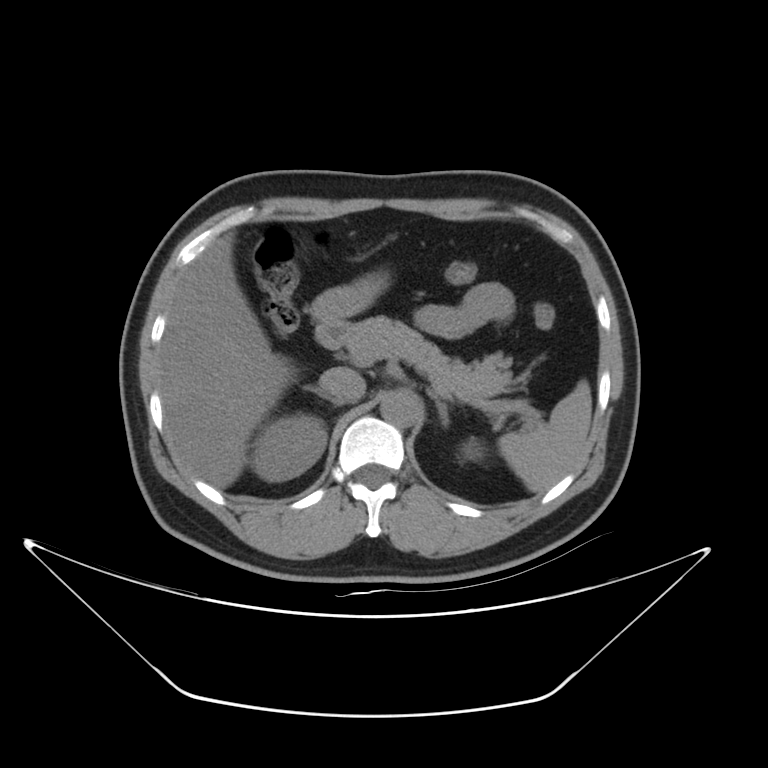
CT abdomen. Axial slice 79/93. soft-tissue window. 40-year-old male patient. scan has 15 labeled organs (that count is for the whole scan; organs this slice misses have no box)
{"organs":{"stomach":[312,272,388,320],"left kidney":[460,438,485,460],"left adrenal gland":[427,391,449,427],"spleen":[497,380,592,493],"pancreas":[343,316,512,395],"right adrenal gland":[304,385,340,405],"inferior vena cava":[320,367,365,402],"aorta":[380,392,418,427],"liver":[157,236,287,487],"right kidney":[251,414,326,481],"duodenum":[314,320,348,348]}}